CT abdomen — axial view — 512x512 px — scan has 15 labeled organs (a whole-scan count: organs this slice does not pass through have no box)
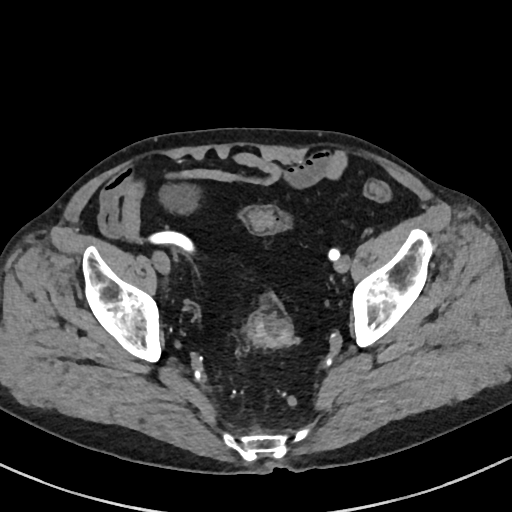 Bounding boxes as [x1, y1, x2, y2] in pixel coordinates.
Organ bounding boxes:
- bladder: [160, 183, 200, 214]